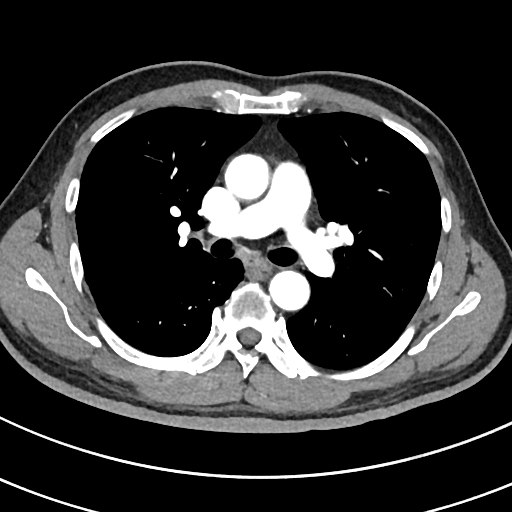

CT of the abdomen extending into the chest, slice through the chest. Axial slice 241/302. soft-tissue window, W/L 400/40
At this level of the chest no structure but the esophagus and the aorta has a label in this dataset, and those two are boxed only where they are labeled.
{"organs":{"esophagus":[248,257,270,274],"aorta":[[224,154,269,200],[269,270,309,310]]}}